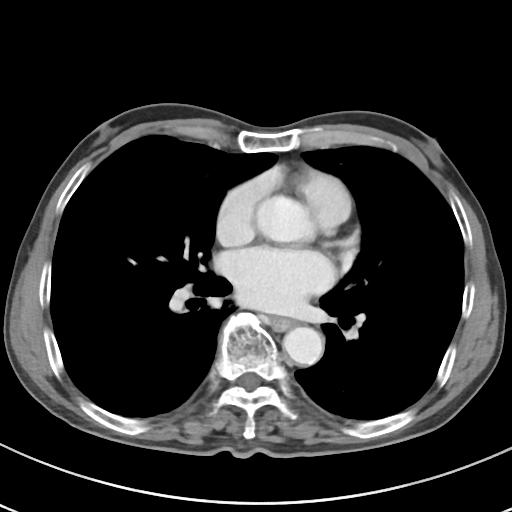 Chest-level CT slice, above the liver and spleen; Axial slice 88/122; soft-tissue window (W 400 / L 40)
At this level of the chest this dataset labels only the esophagus and the aorta, and each is boxed only where it is labeled; the heart and lungs are never labeled. Box edges are left/top/right/bottom in pixels. The annotated organs in this slice are: esophagus at left=270, top=316, right=293, bottom=330, aorta at left=282, top=327, right=323, bottom=365.